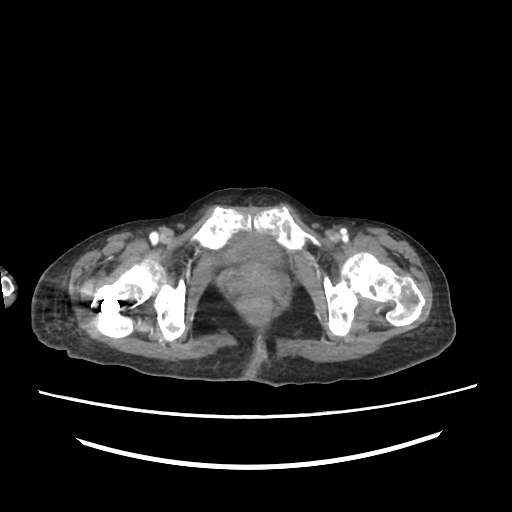
CT abdomen. axial view. W/L 400/40 HU. 512x512 px. 48-year-old female patient
{"organs":{"bladder":[229,235,277,262]}}